CT abdomen; axial plane, index 196; soft-tissue window; 512x512 px
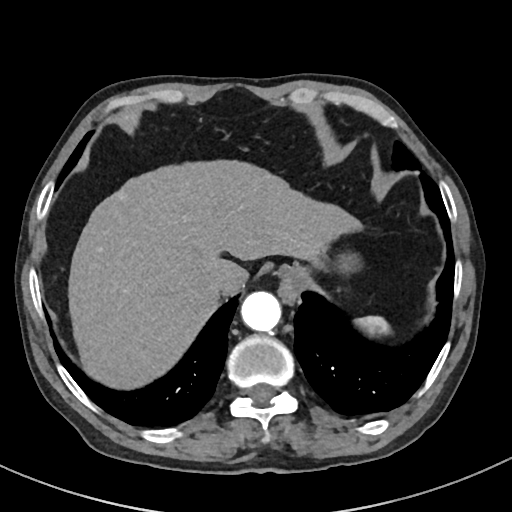

<organs><organ name="spleen" x1="355" y1="316" x2="390" y2="335"/><organ name="esophagus" x1="278" y1="264" x2="311" y2="302"/><organ name="liver" x1="68" y1="159" x2="360" y2="389"/><organ name="stomach" x1="337" y1="252" x2="360" y2="271"/><organ name="aorta" x1="241" y1="291" x2="280" y2="331"/><organ name="inferior vena cava" x1="211" y1="274" x2="225" y2="292"/></organs>